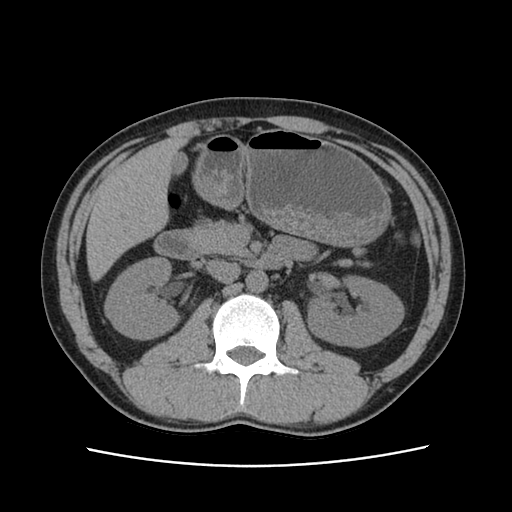
Computed tomography, abdomen — axial view — SOMATOM Force scanner — scan has 15 labeled organs (a whole-scan count: organs this slice does not pass through have no box)
Boxes are (x1, y1, x2, y2) in pixels. The annotated organs in this slice are: stomach at (195, 129, 392, 248), duodenum at (154, 230, 289, 269), pancreas at (186, 226, 366, 265), liver at (87, 137, 190, 281), left kidney at (307, 278, 402, 348), right kidney at (104, 258, 180, 340), aorta at (246, 271, 268, 293), gall bladder at (172, 151, 187, 174), inferior vena cava at (206, 260, 240, 282).